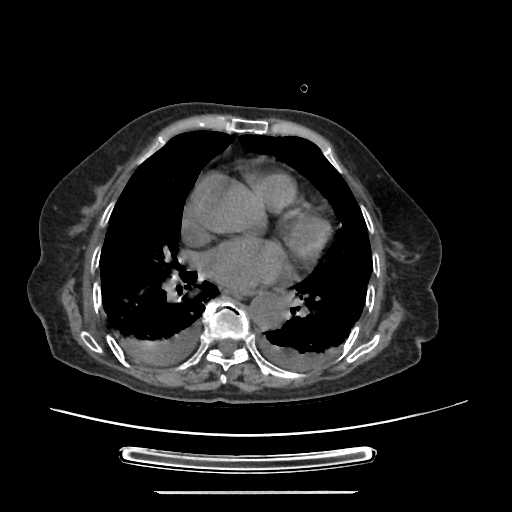
CT of the abdomen reaching into the lower chest, slice just above the liver and spleen · Axial slice 352/353 · 14 organs annotated in this scan (that count is for the whole scan; organs this slice misses have no box)
Of the structures in the chest, this dataset labels only the esophagus, the aorta and the inferior vena cava; the heart and lungs have no label.
<organs><organ name="esophagus" x1="228" y1="289" x2="252" y2="294"/><organ name="aorta" x1="249" y1="292" x2="286" y2="328"/></organs>